Computed tomography, abdomen. axial view. scan has 15 labeled organs (that count is for the whole scan; organs this slice misses have no box)
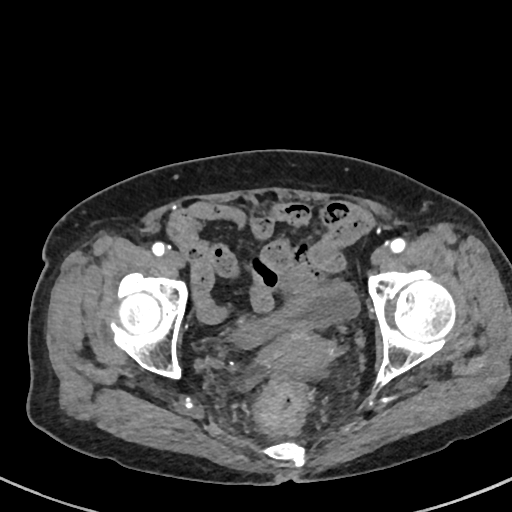

<organs><organ name="bladder" x1="230" y1="283" x2="359" y2="346"/><organ name="prostate/uterus" x1="265" y1="327" x2="335" y2="374"/></organs>